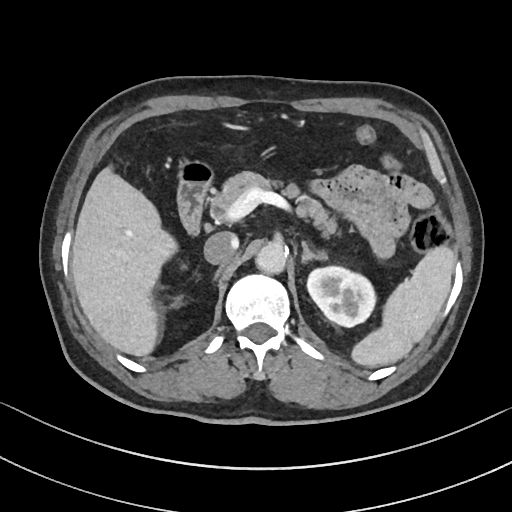
CT abdomen — axial view — soft-tissue window
Bounding boxes as [x1, y1, x2, y2] in pixel coordinates.
Organ bounding boxes:
- left adrenal gland: [301, 241, 325, 262]
- aorta: [255, 242, 287, 274]
- inferior vena cava: [204, 232, 238, 264]
- pancreas: [211, 171, 338, 238]
- left kidney: [307, 266, 375, 326]
- liver: [71, 166, 176, 356]
- duodenum: [177, 161, 213, 235]
- spleen: [351, 245, 455, 367]